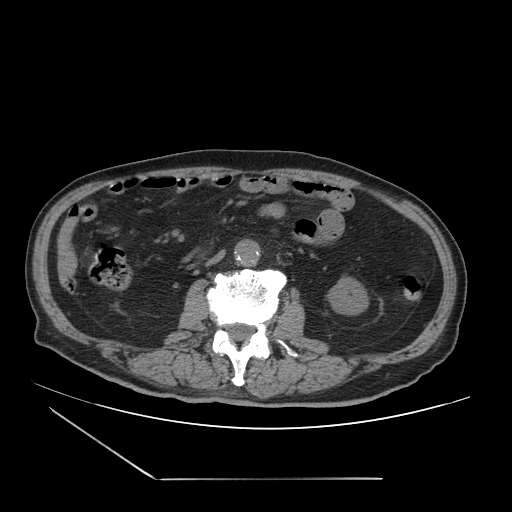

CT, abdomen/pelvis · axial view
Boxes: x1 y1 x2 y2 (pixel coords, space-separated). Labeled organs on this slice: left kidney at 327 274 368 315, aorta at 234 240 260 266, inferior vena cava at 206 250 224 265.